Abdominal CT — axial view — 768x768 px — Brilliance16 scanner
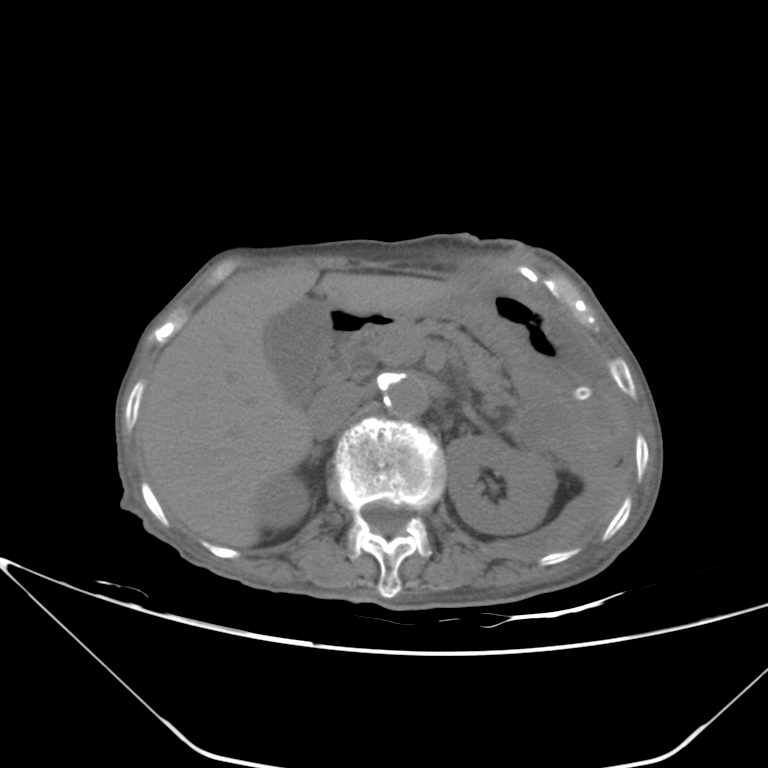 Each box given as x1,y1,x2,y2.
right kidney: x1=257, y1=473, x2=308, y2=529
left kidney: x1=447, y1=434, x2=556, y2=534
gall bladder: x1=264, y1=296, x2=329, y2=400
liver: x1=136, y1=267, x2=461, y2=547
stomach: x1=392, y1=282, x2=622, y2=445
aorta: x1=384, y1=376, x2=428, y2=417
inferior vena cava: x1=310, y1=384, x2=365, y2=438
pancreas: x1=357, y1=320, x2=512, y2=407
right adrenal gland: x1=310, y1=447, x2=320, y2=462
left adrenal gland: x1=461, y1=401, x2=484, y2=426
duodenum: x1=318, y1=309, x2=394, y2=390